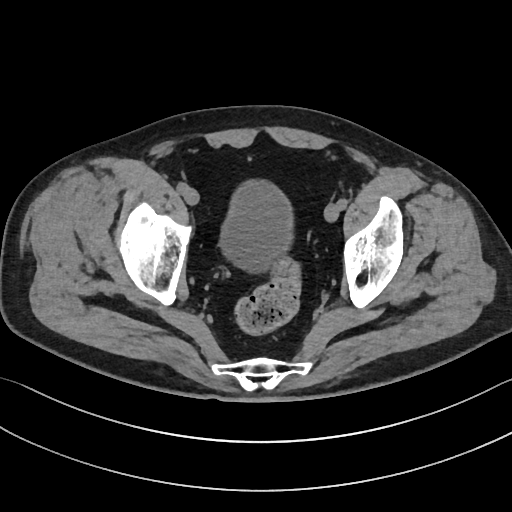 CT, abdomen/pelvis; axial plane, index 42; acquired on SOMATOM Force; 15 organs annotated in this scan (counted over the whole 3D scan, not this slice; an organ is boxed only where this slice passes through it)
Boxes are (x1, y1, x2, y2) in pixels. The annotated organs in this slice are: bladder at (221, 177, 292, 269).